CT, abdomen/pelvis — axial view — soft-tissue window (W 400 / L 40) — 71-year-old female patient
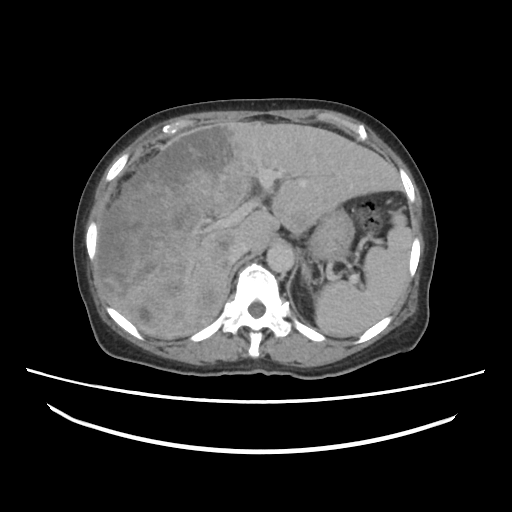

{"organs":{"left adrenal gland":[301,263,309,285],"aorta":[266,242,294,274],"stomach":[306,209,353,262],"spleen":[316,213,413,337],"liver":[97,121,401,339],"inferior vena cava":[228,242,246,262]}}